Computed tomography, abdomen. Axial slice 129/225. soft-tissue window (W 400 / L 40). 512x512 px. SOMATOM Force scanner
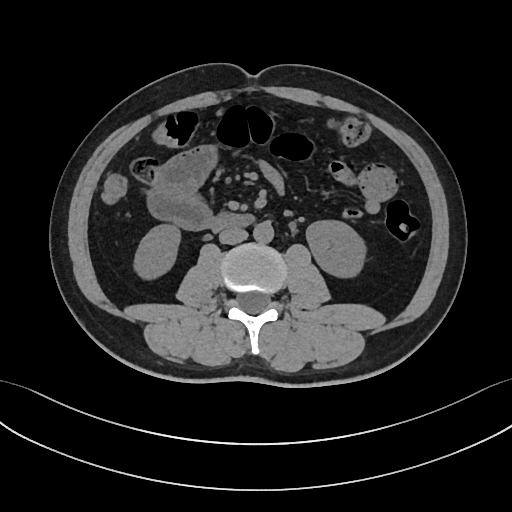

Bounding boxes in pixels, one row per box: x1, y1 is the top-left corner and x2, y2 the bottom-right.
| organ | x1 | y1 | x2 | y2 |
|---|---|---|---|---|
| right kidney | 133 | 224 | 180 | 279 |
| left kidney | 306 | 220 | 365 | 277 |
| aorta | 253 | 221 | 273 | 243 |
| inferior vena cava | 219 | 228 | 247 | 244 |
| duodenum | 208 | 212 | 253 | 230 |